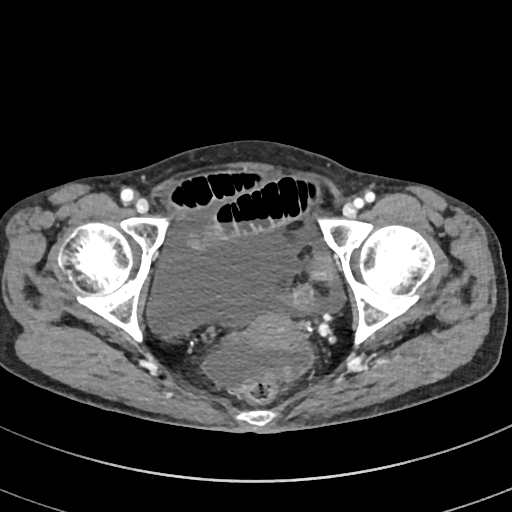

Abdominal CT · axial view
Bounding boxes in pixels, one row per box: x1, y1 is the top-left corner and x2, y2 the bottom-right.
| organ | x1 | y1 | x2 | y2 |
|---|---|---|---|---|
| prostate/uterus | 244 | 311 | 301 | 349 |